Computed tomography, abdomen; Axial slice 56/78; 15 organs annotated in this scan (counted over the whole 3D scan, not this slice; an organ is boxed only where this slice passes through it)
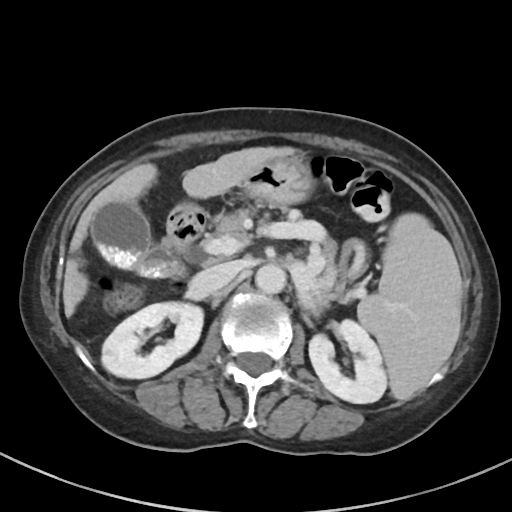

<organs><organ name="pancreas" x1="212" y1="208" x2="338" y2="312"/><organ name="stomach" x1="172" y1="155" x2="353" y2="274"/><organ name="aorta" x1="255" y1="264" x2="286" y2="294"/><organ name="right kidney" x1="101" y1="302" x2="203" y2="378"/><organ name="spleen" x1="357" y1="213" x2="460" y2="400"/><organ name="left kidney" x1="308" y1="319" x2="387" y2="403"/><organ name="gall bladder" x1="91" y1="202" x2="179" y2="277"/><organ name="inferior vena cava" x1="192" y1="262" x2="239" y2="295"/><organ name="duodenum" x1="166" y1="210" x2="207" y2="281"/><organ name="liver" x1="63" y1="146" x2="295" y2="317"/></organs>